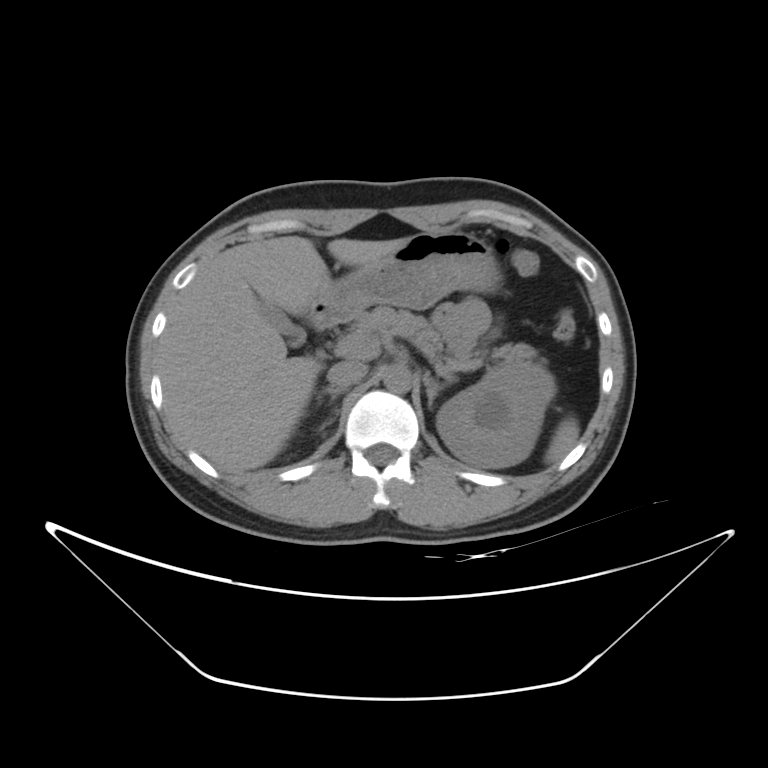 CT, abdomen/pelvis · Axial slice 79/97 · soft-tissue window · acquired on Brilliance16
<organs><organ name="spleen" x1="545" y1="417" x2="579" y2="464"/><organ name="left kidney" x1="436" y1="368" x2="555" y2="468"/><organ name="gall bladder" x1="257" y1="297" x2="305" y2="345"/><organ name="liver" x1="157" y1="236" x2="407" y2="474"/><organ name="stomach" x1="320" y1="230" x2="501" y2="320"/><organ name="aorta" x1="382" y1="364" x2="412" y2="393"/><organ name="inferior vena cava" x1="327" y1="361" x2="367" y2="388"/><organ name="pancreas" x1="349" y1="306" x2="539" y2="371"/><organ name="right adrenal gland" x1="318" y1="387" x2="345" y2="402"/><organ name="left adrenal gland" x1="423" y1="372" x2="438" y2="411"/><organ name="duodenum" x1="310" y1="301" x2="341" y2="329"/></organs>